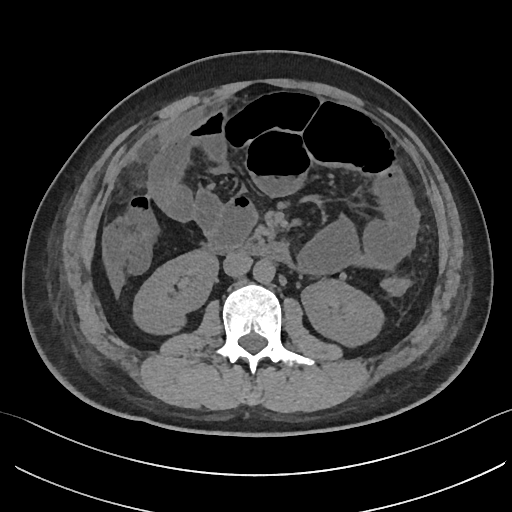

CT, abdomen/pelvis; axial view; W/L 400/40 HU
Bounding boxes as [x1, y1, x2, y2] in pixel coordinates.
Organ bounding boxes:
- duodenum: [207, 240, 291, 263]
- inferior vena cava: [223, 253, 252, 276]
- right kidney: [132, 250, 218, 335]
- aorta: [253, 260, 275, 283]
- left kidney: [301, 279, 385, 348]